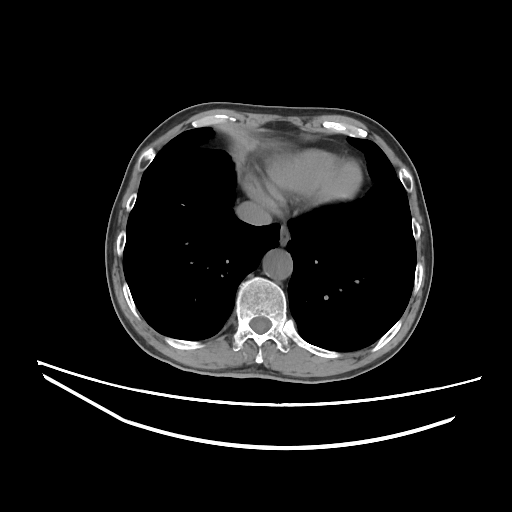

Lower-chest slice from an abdominal CT, just above the liver and spleen; Axial slice 87/89; soft-tissue window, W/L 400/40; 512x512 px; 68-year-old male patient
Of the structures in the chest, this dataset labels only the esophagus, the aorta and the inferior vena cava; the heart and lungs have no label.
{"organs":{"esophagus":[279,226,289,244],"aorta":[263,249,292,279],"inferior vena cava":[236,201,271,225]}}